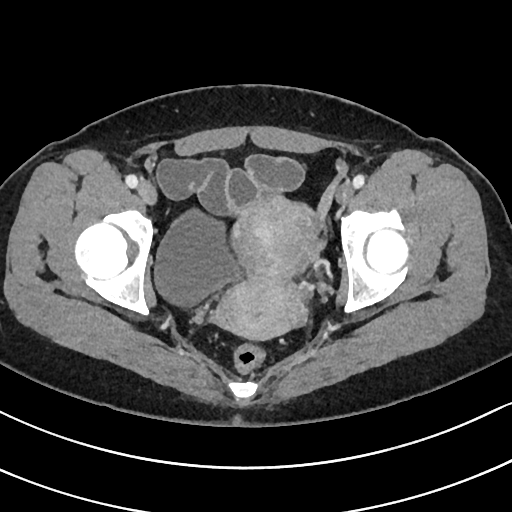
Abdominal CT. axial plane, index 30. SOMATOM Force scanner
Bounding boxes as [x1, y1, x2, y2] in pixel coordinates.
prostate/uterus: [216, 195, 316, 339]
bladder: [154, 210, 237, 304]